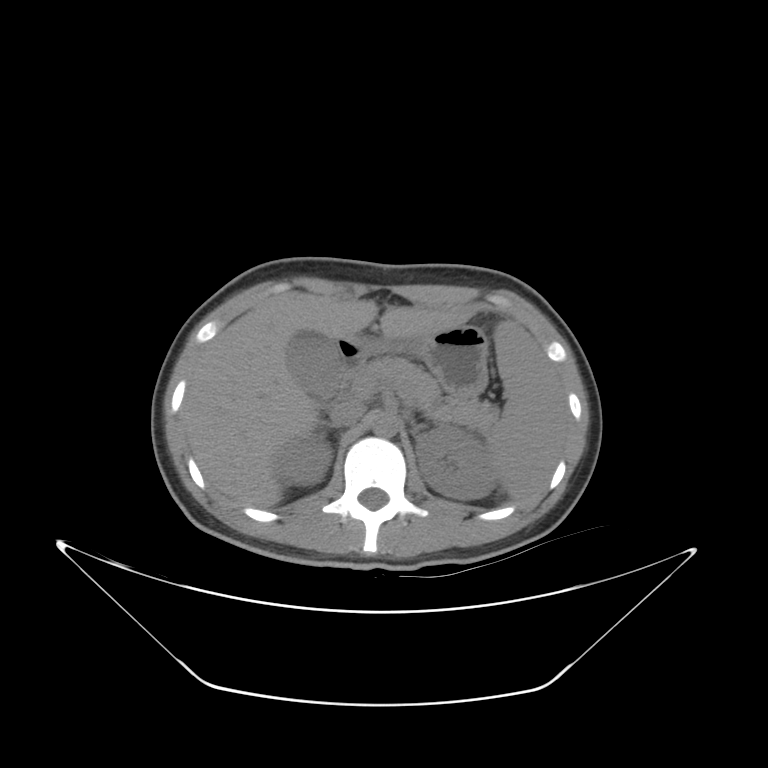

Abdominal CT — axial view
<organs><organ name="spleen" x1="485" y1="322" x2="563" y2="501"/><organ name="right kidney" x1="275" y1="435" x2="331" y2="487"/><organ name="left kidney" x1="415" y1="425" x2="495" y2="501"/><organ name="gall bladder" x1="285" y1="326" x2="339" y2="402"/><organ name="liver" x1="184" y1="294" x2="475" y2="507"/><organ name="stomach" x1="354" y1="328" x2="485" y2="395"/><organ name="aorta" x1="373" y1="413" x2="400" y2="437"/><organ name="inferior vena cava" x1="331" y1="401" x2="366" y2="426"/><organ name="pancreas" x1="356" y1="357" x2="499" y2="427"/><organ name="left adrenal gland" x1="412" y1="424" x2="429" y2="435"/><organ name="duodenum" x1="331" y1="335" x2="361" y2="405"/></organs>